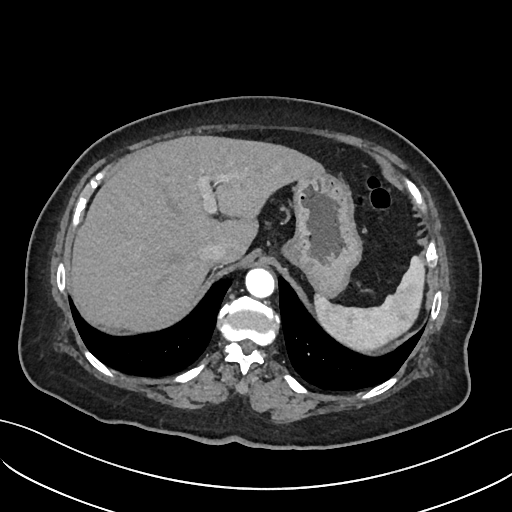 Abdominal CT; axial view; abdomen soft-tissue window
Boxes are (x1, y1, x2, y2) in pixels.
Organ bounding boxes:
- spleen: (314, 256, 425, 351)
- liver: (69, 135, 324, 332)
- stomach: (282, 171, 361, 297)
- aorta: (245, 268, 275, 297)
- inferior vena cava: (199, 242, 227, 265)